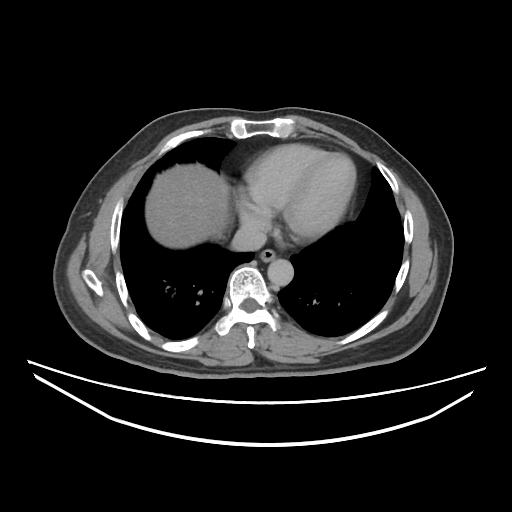 CT abdomen — axial view — 55-year-old male patient — acquired on Aquilion ONE
{"organs":{"esophagus":[260,249,277,262],"liver":[145,163,232,248],"aorta":[268,258,293,285],"inferior vena cava":[231,228,266,251]}}